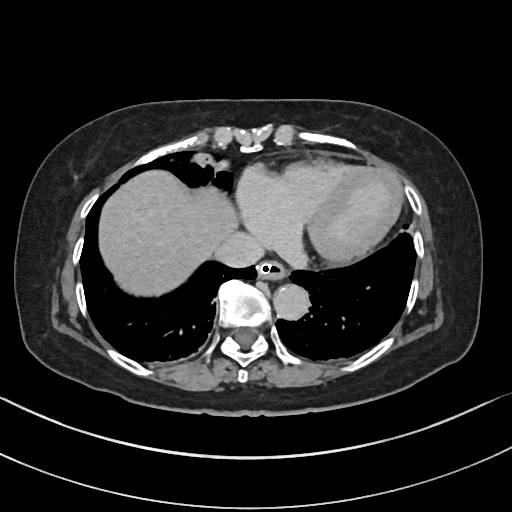

CT, abdomen/pelvis. axial view. abdomen soft-tissue window. 512x512 px. SOMATOM Force scanner
Each box given as x1,y1,x2,y2.
Organ bounding boxes:
- esophagus: x1=257, y1=260, x2=286, y2=280
- liver: x1=99, y1=171, x2=237, y2=296
- aorta: x1=273, y1=284, x2=309, y2=320
- inferior vena cava: x1=215, y1=231, x2=264, y2=267